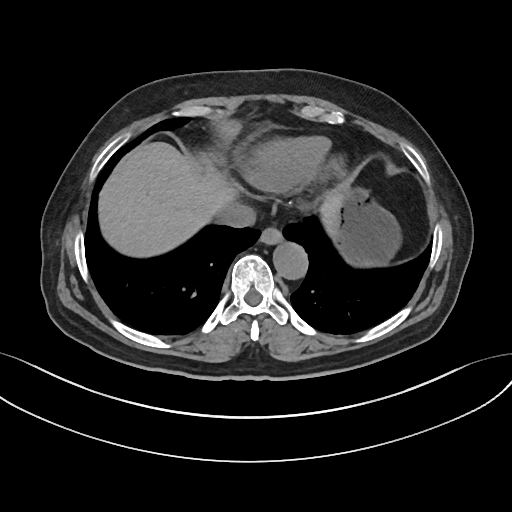
Abdominal CT — axial plane, index 189 — 512x512 px — 15 organs annotated in this scan (counted over the whole 3D scan, not this slice; an organ is boxed only where this slice passes through it)
{"organs":{"esophagus":[259,227,282,242],"liver":[99,141,338,257],"stomach":[325,191,400,268],"aorta":[272,241,307,278],"inferior vena cava":[216,203,255,227]}}